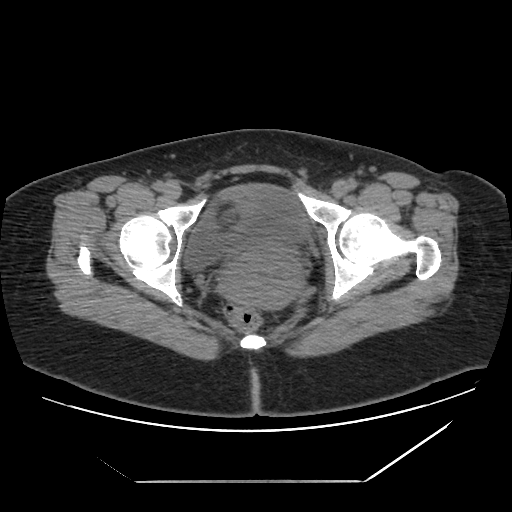
Abdominal CT; Axial slice 28/345; 512x512 px
One row per box, in pixels: columns x1 and y1 give the top-left corner, x2 and y2 the bottom-right.
| organ | x1 | y1 | x2 | y2 |
|---|---|---|---|---|
| bladder | 187 | 185 | 305 | 266 |
| prostate/uterus | 223 | 257 | 291 | 304 |